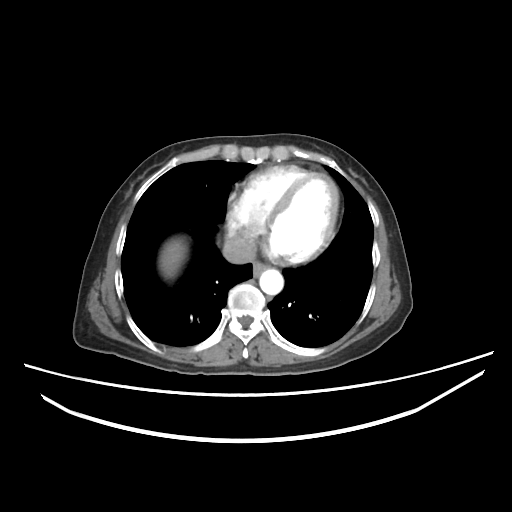

Abdominal CT · axial view · abdomen soft-tissue window
{"organs":{"liver":[159,240,185,276],"inferior vena cava":[222,236,257,264],"esophagus":[252,264,270,278],"aorta":[260,270,283,294]}}